Abdominal CT. axial plane, index 97. 56-year-old female patient
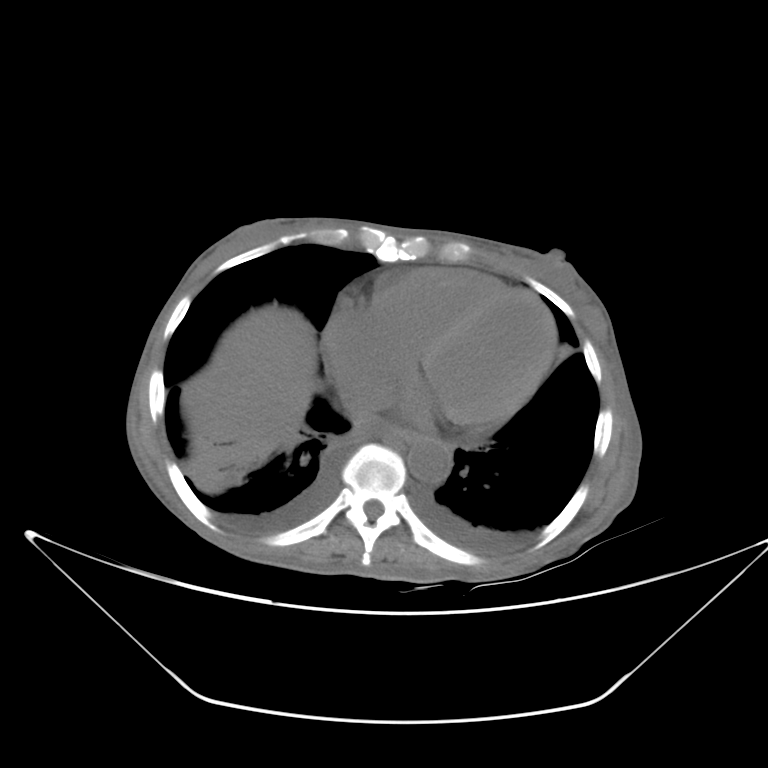

Bounding boxes in pixels, one row per box: x1, y1 is the top-left corner and x2, y2 the bottom-right.
| organ | x1 | y1 | x2 | y2 |
|---|---|---|---|---|
| inferior vena cava | 344 | 394 | 371 | 422 |
| aorta | 407 | 436 | 451 | 483 |
| liver | 181 | 311 | 321 | 437 |
| esophagus | 381 | 427 | 410 | 444 |